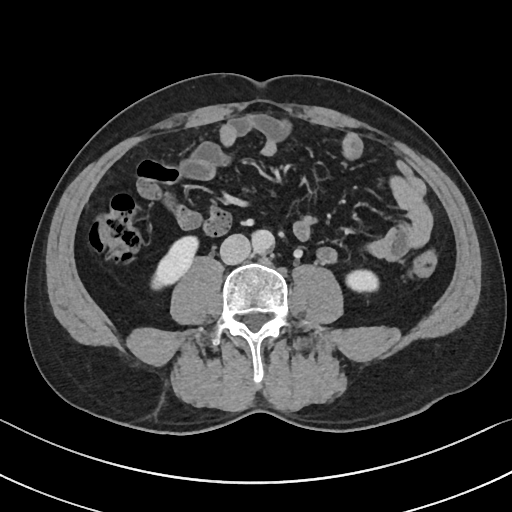

CT abdomen; axial view; soft-tissue window
{"organs":{"right kidney":[151,236,197,289],"left kidney":[347,269,378,292],"aorta":[251,230,274,254],"inferior vena cava":[220,234,250,264]}}